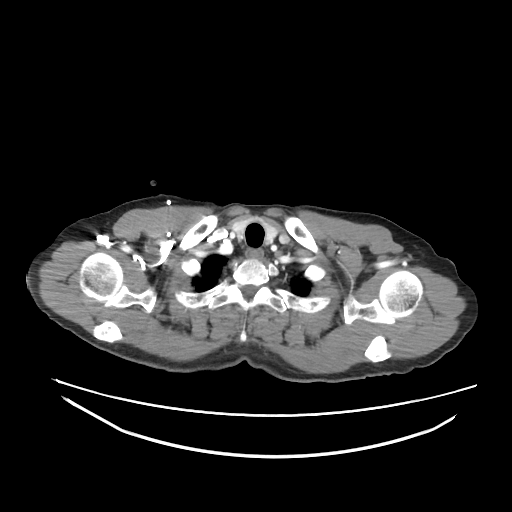 CT of the abdomen extending into the chest, slice through the chest. axial view
At this level of the chest this dataset labels only the esophagus and the aorta, and each is boxed only where it is labeled; the heart and lungs are never labeled.
{"organs":{"esophagus":[245,248,262,257]}}